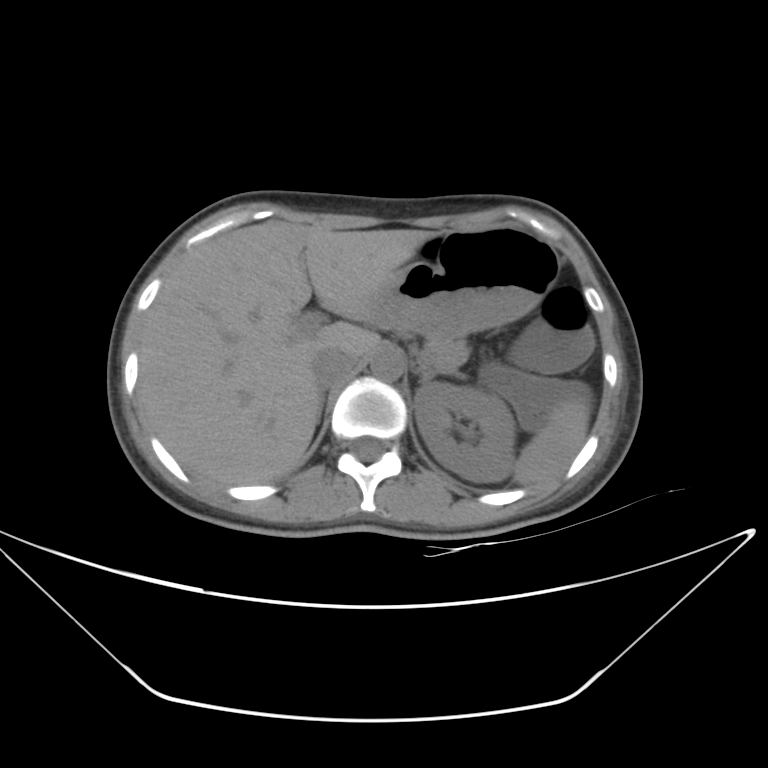 CT, abdomen/pelvis. axial view. W/L 400/40 HU. 768x768 px. 32-year-old female patient
Box edges are left/top/right/bottom in pixels. Labeled organs on this slice: left adrenal gland at left=416, top=368, right=462, bottom=383, left kidney at left=415, top=383, right=514, bottom=482, right adrenal gland at left=317, top=396, right=323, bottom=420, stomach at left=367, top=226, right=557, bottom=338, inferior vena cava at left=311, top=349, right=358, bottom=387, spleen at left=512, top=399, right=589, bottom=485, pancreas at left=425, top=337, right=468, bottom=371, liver at left=137, top=220, right=431, bottom=484, aorta at left=371, top=347, right=403, bottom=380.